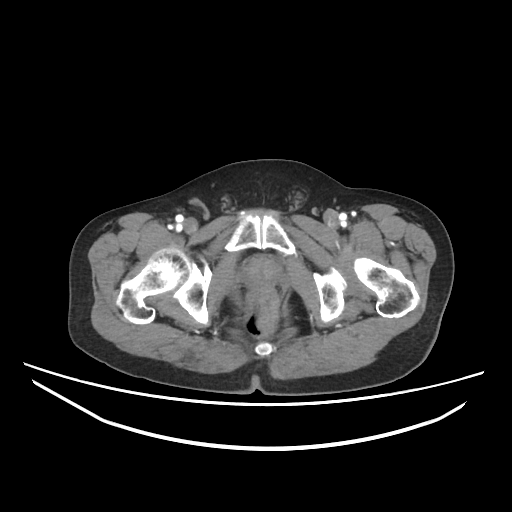 CT, abdomen/pelvis. axial view. 512x512 px
Bounding boxes in pixels, one row per box: x1, y1 is the top-left corner and x2, y2 the bottom-right.
| organ | x1 | y1 | x2 | y2 |
|---|---|---|---|---|
| prostate/uterus | 242 | 256 | 281 | 288 |